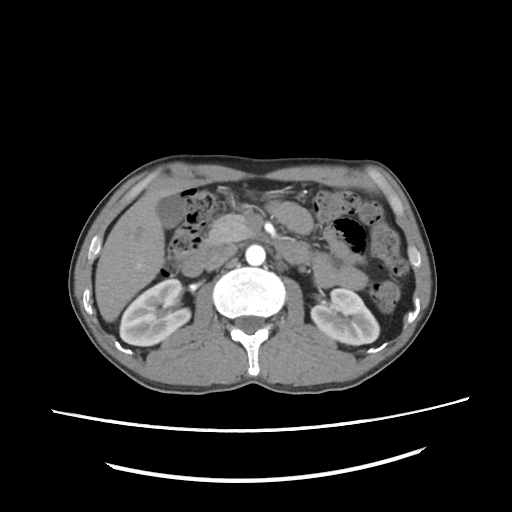
CT abdomen — axial view — soft-tissue window (W 400 / L 40) — 55-year-old male patient — acquired on Aquilion ONE
Each box given as x1,y1,x2,y2. 8 labeled organs on this slice — duodenum at x1=182, y1=243, x2=309, y2=276; liver at x1=95, y1=187, x2=188, y2=322; gall bladder at x1=157, y1=194, x2=185, y2=226; left kidney at x1=310, y1=288, x2=378, y2=345; right kidney at x1=118, y1=278, x2=190, y2=346; pancreas at x1=200, y1=213, x2=256, y2=249; inferior vena cava at x1=205, y1=242, x2=236, y2=270; aorta at x1=245, y1=244, x2=265, y2=266.